Computed tomography, abdomen; axial view; soft-tissue window
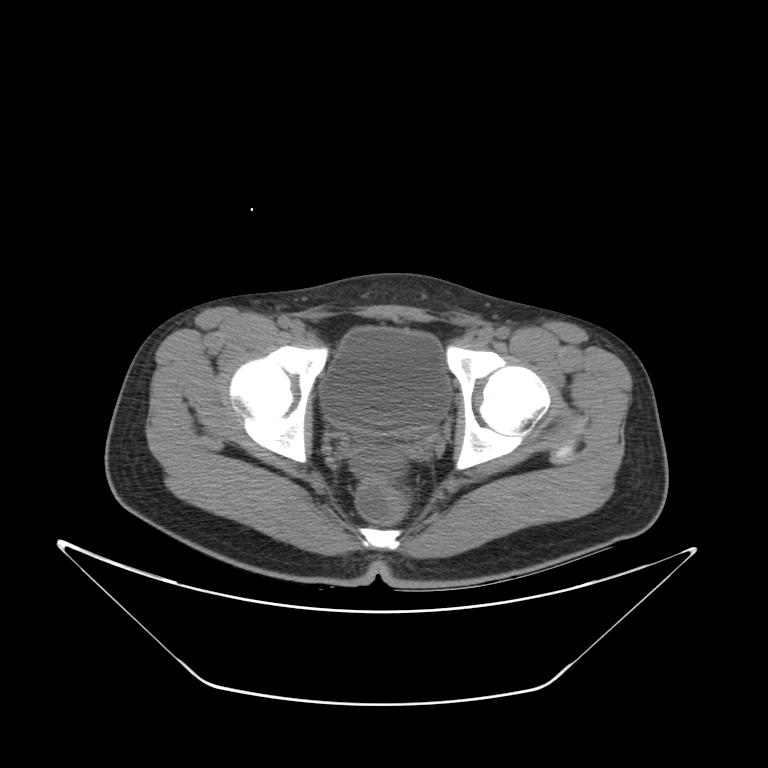
Each box given as x1,y1,x2,y2.
bladder: x1=322, y1=329, x2=449, y2=431